CT abdomen — axial view — soft-tissue window — 512x512 px — 15 organs annotated in this scan (a whole-scan count: organs this slice does not pass through have no box)
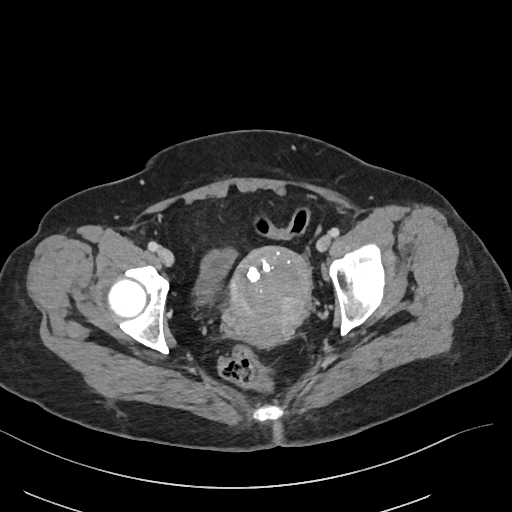
Bounding boxes in pixels, one row per box: x1, y1 is the top-left corner and x2, y2 the bottom-right.
| organ | x1 | y1 | x2 | y2 |
|---|---|---|---|---|
| prostate/uterus | 227 | 246 | 312 | 347 |
| bladder | 194 | 249 | 236 | 305 |